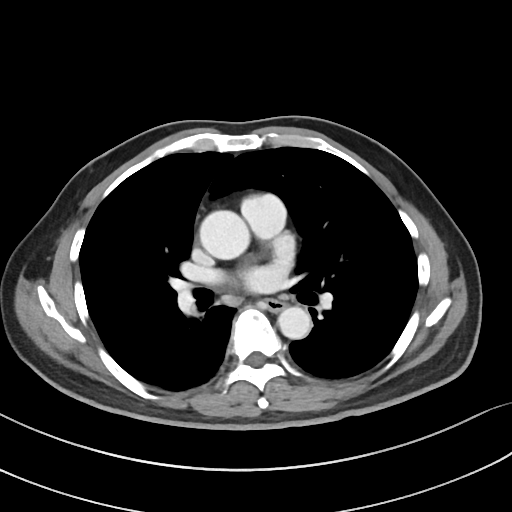
Chest-level CT slice, above the liver and spleen · axial view
At this level of the chest this dataset labels only the esophagus and the aorta, and each is boxed only where it is labeled; the heart and lungs are never labeled.
Boxes: x1 y1 x2 y2 (pixel coords, space-separated).
esophagus: 265 298 285 311
aorta: 199 210 250 259
aorta: 278 306 311 339